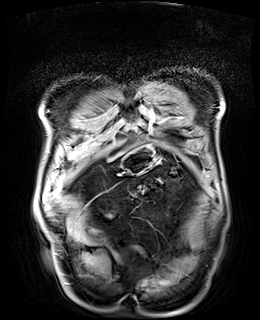

MRI, abdomen — coronal plane, index 133 — percentile-normalized
{"organs":{"stomach":[122,144,155,173]}}